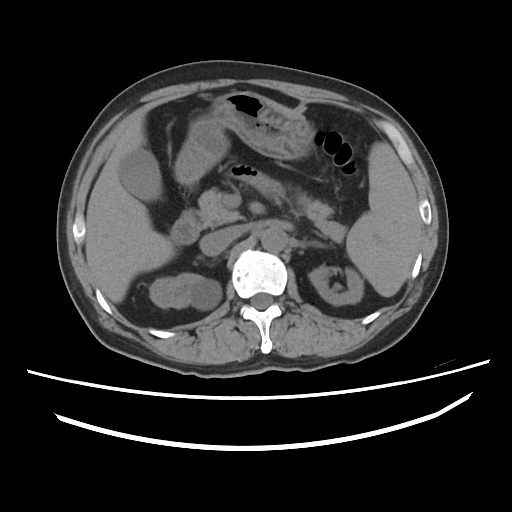

Abdominal CT · axial view · 512x512 px
Coordinates as <box>x1,y1,x2,y2</box> in pixels.
Organ bounding boxes:
- spleen: <box>346,142,423,297</box>
- right kidney: <box>149,273,221,310</box>
- left kidney: <box>309,265,363,305</box>
- gall bladder: <box>119,147,162,201</box>
- liver: <box>85,101,284,302</box>
- stomach: <box>174,91,312,185</box>
- aorta: <box>261,227,287,252</box>
- inferior vena cava: <box>200,229,234,256</box>
- pancreas: <box>198,188,346,241</box>
- duodenum: <box>170,209,199,244</box>